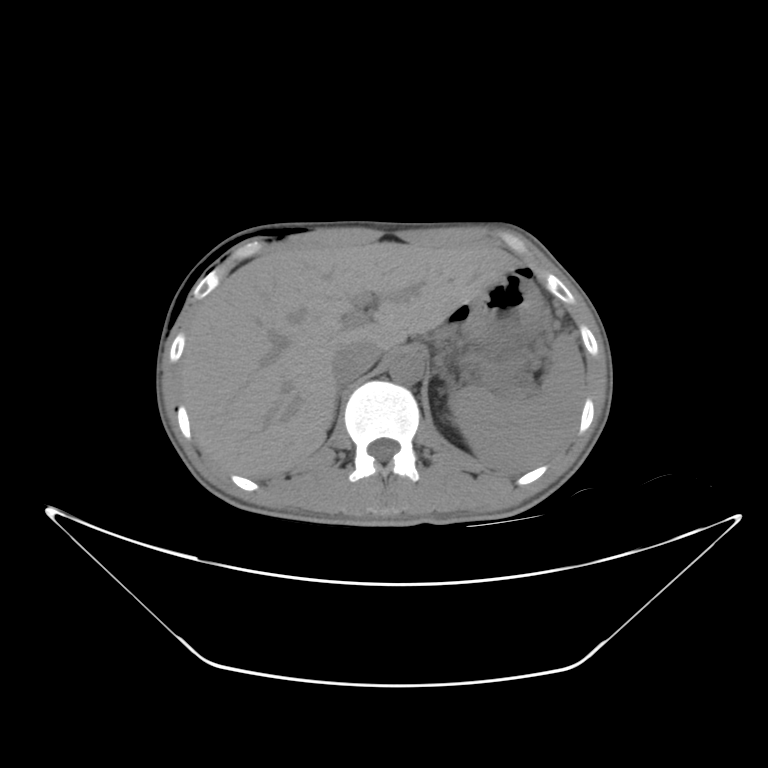 CT, abdomen/pelvis — Axial slice 74/95 — 768x768 px
Box edges are left/top/right/bottom in pixels.
Organ bounding boxes:
- spleen: left=451, top=336, right=587, bottom=472
- liver: left=185, top=243, right=519, bottom=480
- stomach: left=460, top=277, right=541, bottom=352
- aorta: left=387, top=354, right=425, bottom=383
- inferior vena cava: left=330, top=340, right=379, bottom=380